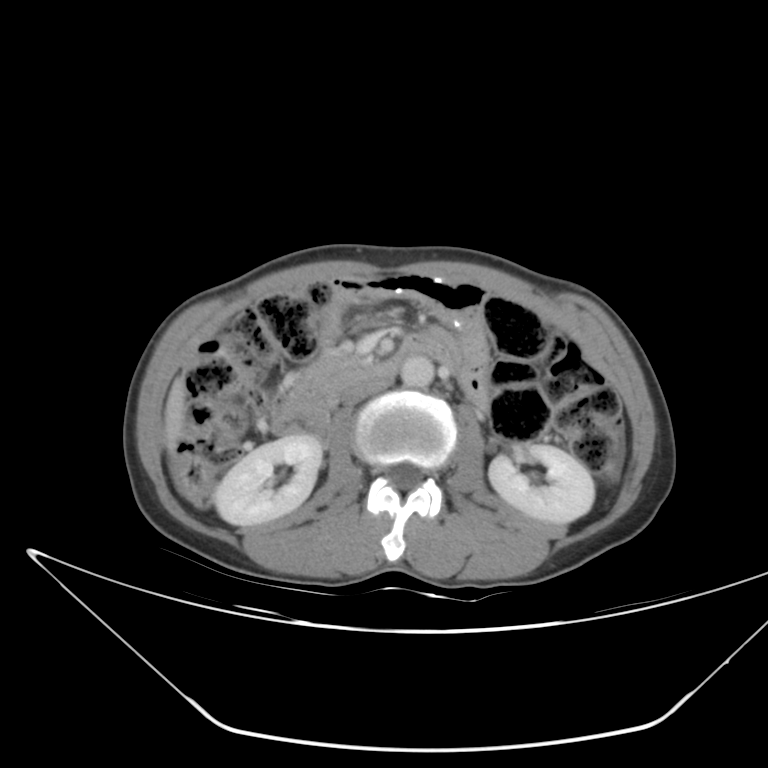 Computed tomography, abdomen — axial plane, index 29 — 62-year-old male patient
{"organs":{"right kidney":[215,434,320,526],"left kidney":[487,445,595,523],"liver":[164,379,184,440],"aorta":[401,356,435,387],"inferior vena cava":[340,377,388,406],"pancreas":[291,354,373,403],"duodenum":[272,333,451,447]}}